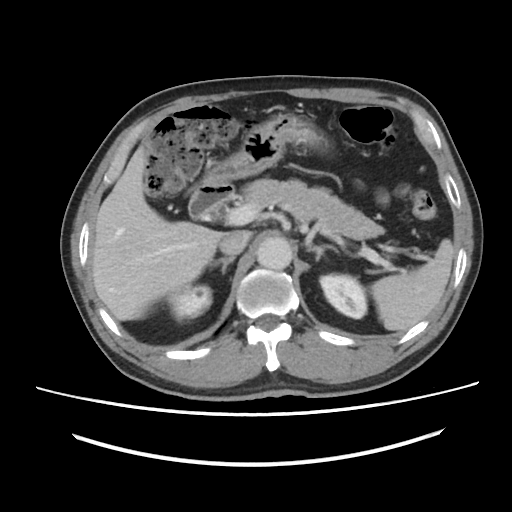

CT, abdomen/pelvis · axial plane, index 67 · 512x512 px · 58-year-old male patient
<organs><organ name="spleen" x1="371" y1="239" x2="453" y2="331"/><organ name="right kidney" x1="168" y1="284" x2="211" y2="321"/><organ name="left kidney" x1="320" y1="274" x2="366" y2="318"/><organ name="liver" x1="91" y1="146" x2="222" y2="320"/><organ name="stomach" x1="205" y1="114" x2="327" y2="183"/><organ name="aorta" x1="256" y1="237" x2="292" y2="270"/><organ name="inferior vena cava" x1="219" y1="230" x2="250" y2="255"/><organ name="pancreas" x1="240" y1="179" x2="381" y2="239"/><organ name="right adrenal gland" x1="209" y1="256" x2="235" y2="274"/><organ name="left adrenal gland" x1="307" y1="244" x2="337" y2="260"/><organ name="duodenum" x1="188" y1="181" x2="234" y2="219"/></organs>